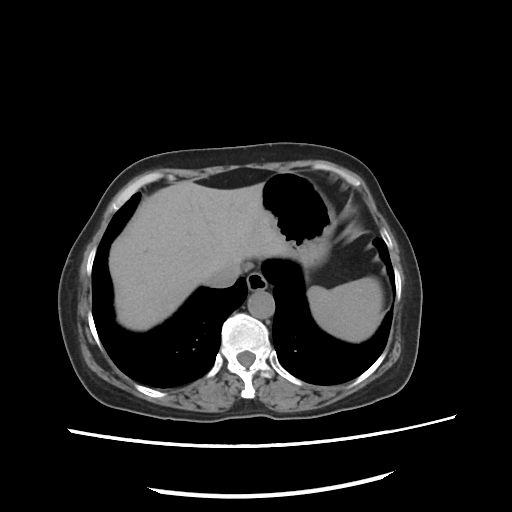
CT abdomen; axial plane, index 79; W/L 400/40 HU; 15 organs annotated in this scan (that count is for the whole scan; organs this slice misses have no box)
Box edges are left/top/right/bottom in pixels. Labeled organs on this slice: stomach at left=262, top=171, right=336, bottom=269, spleen at left=308, top=277, right=382, bottom=343, inferior vena cava at left=203, top=263, right=240, bottom=287, liver at left=111, top=181, right=298, bottom=331, aorta at left=247, top=288, right=275, bottom=318, esophagus at left=247, top=271, right=267, bottom=289.